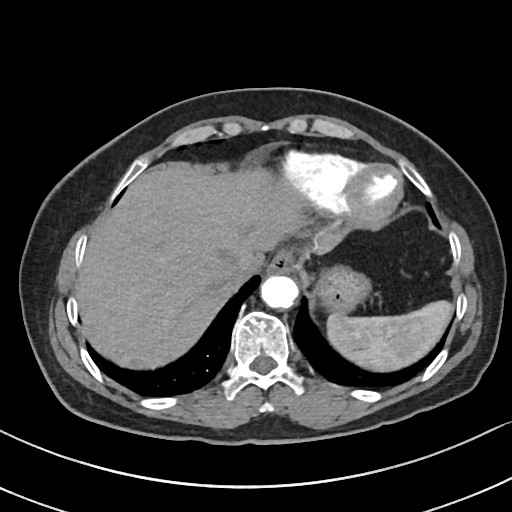
Abdominal CT. axial view. abdomen soft-tissue window
Boxes are (x1, y1, x2, y2) in pixels.
Organ bounding boxes:
- spleen: (325, 301, 452, 371)
- esophagus: (267, 251, 296, 275)
- liver: (76, 168, 339, 369)
- stomach: (317, 267, 370, 313)
- aorta: (262, 276, 299, 309)
- inferior vena cava: (222, 256, 261, 282)